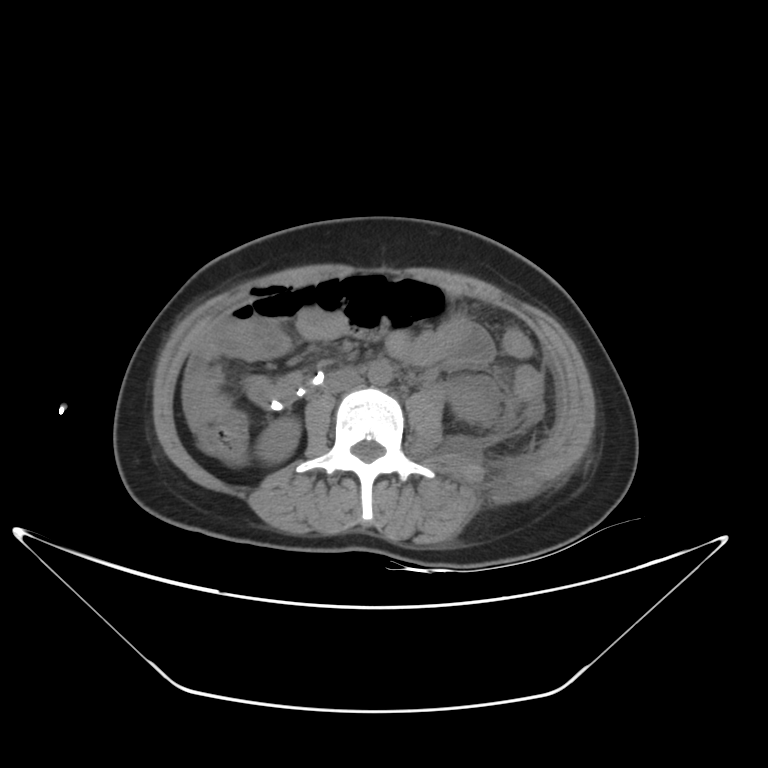
CT abdomen · Axial slice 55/95 · 14 organs annotated in this scan (that count is for the whole scan; organs this slice misses have no box)
<organs><organ name="aorta" x1="367" y1="361" x2="392" y2="385"/><organ name="right kidney" x1="256" y1="415" x2="301" y2="464"/><organ name="inferior vena cava" x1="324" y1="367" x2="361" y2="393"/><organ name="left kidney" x1="448" y1="377" x2="499" y2="423"/><organ name="duodenum" x1="267" y1="375" x2="319" y2="409"/></organs>